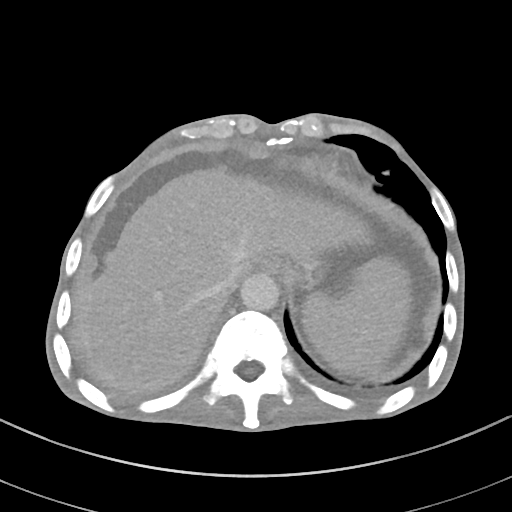 CT, abdomen/pelvis — axial plane, index 78 — soft-tissue window — 512x512 px
Bounding boxes as [x1, y1, x2, y2] in pixel coordinates.
spleen: [302, 257, 411, 373]
inferior vena cava: [227, 261, 249, 285]
liver: [82, 168, 367, 392]
esophagus: [259, 254, 285, 273]
aorta: [240, 272, 279, 311]